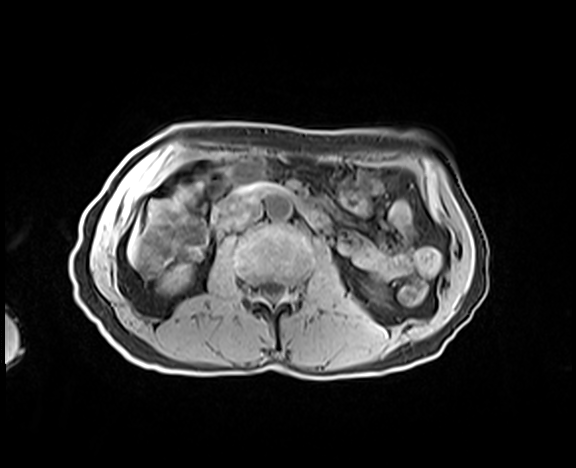 MRI, abdomen — axial view — percentile-normalized — acquired on Prisma
Organ boxes in pixel coordinates; each row gives the top-left (x1, y1) and bottom-right (x2, y2) corners.
| organ | x1 | y1 | x2 | y2 |
|---|---|---|---|---|
| duodenum | 213 | 183 | 330 | 227 |
| pancreas | 235 | 183 | 258 | 194 |
| liver | 128 | 226 | 137 | 262 |
| right kidney | 161 | 268 | 189 | 293 |
| aorta | 266 | 196 | 292 | 220 |
| inferior vena cava | 226 | 205 | 261 | 229 |